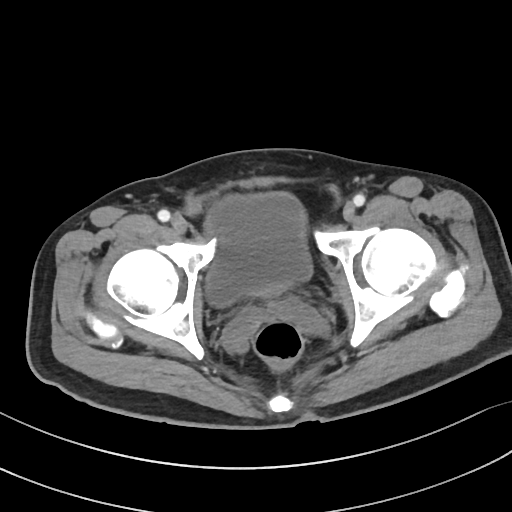

Abdominal CT. axial view
{"organs":{"bladder":[206,192,312,306]}}